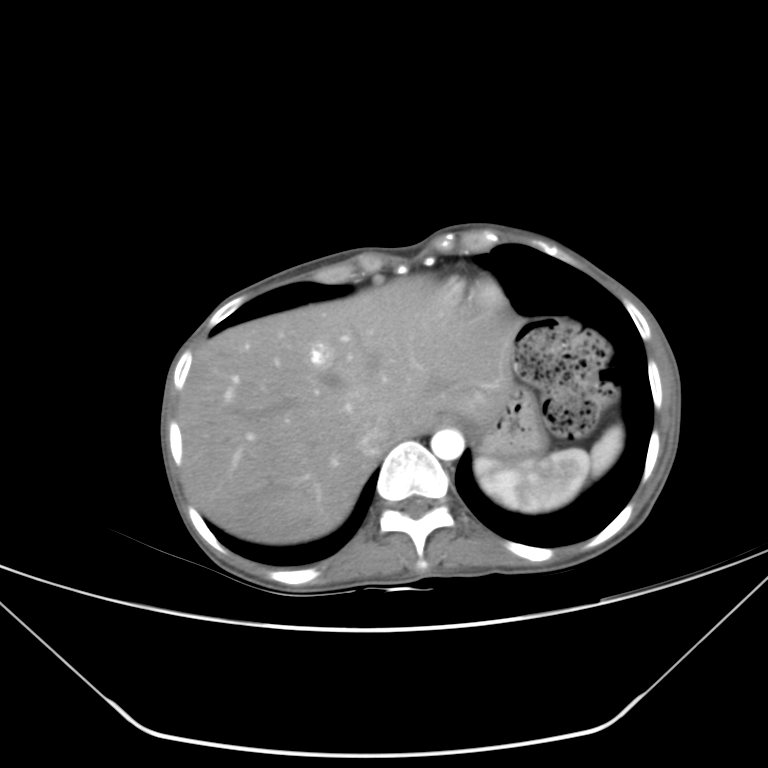 Computed tomography, abdomen · axial view · 32-year-old female patient
Boxes: x1 y1 x2 y2 (pixel coords, space-separated).
spleen: 475 426 622 512
esophagus: 437 414 458 425
liver: 179 276 514 542
stomach: 454 376 546 464
aorta: 430 427 464 460
inferior vena cava: 354 417 393 454